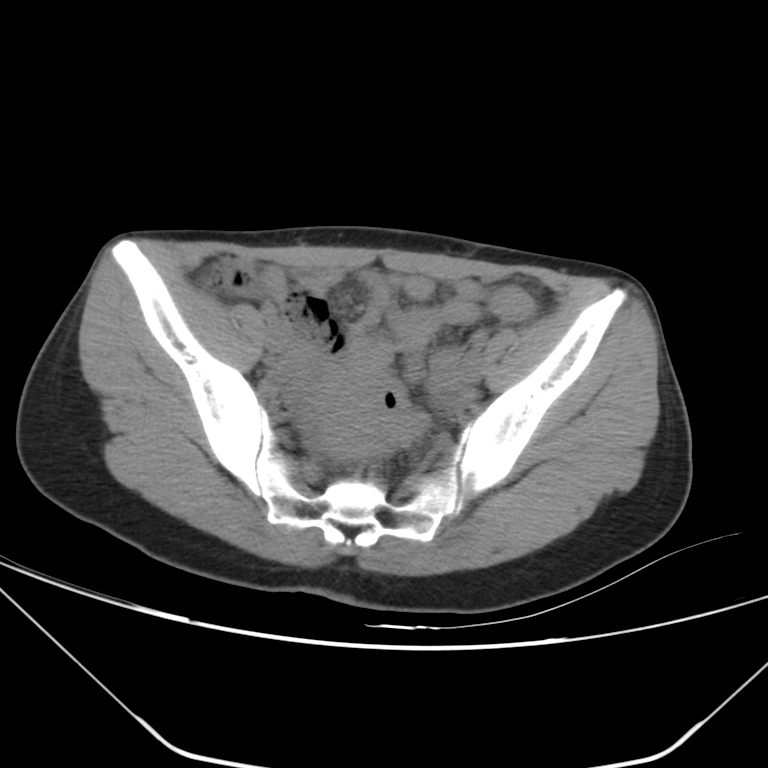
CT abdomen. axial view. 15 organs annotated in this scan (that count is for the whole scan; organs this slice misses have no box)
Boxes are (x1, y1, x2, y2) in pixels.
prostate/uterus: (313, 408, 391, 458)